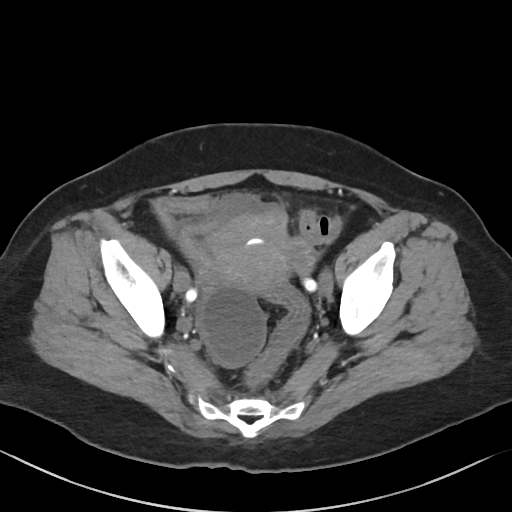

CT abdomen; axial plane, index 16; soft-tissue window; 512x512 px; acquired on SOMATOM Force
<organs><organ name="prostate/uterus" x1="207" y1="211" x2="290" y2="291"/></organs>